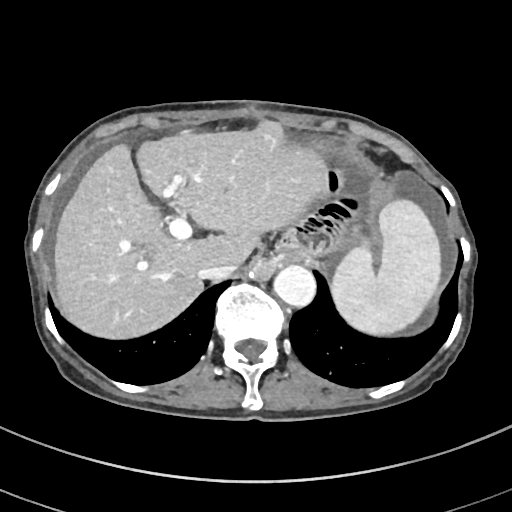

Abdominal CT. axial view. W/L 400/40 HU. 512x512 px
Organ boxes in pixel coordinates; each row gives the top-left (x1, y1) and bottom-right (x2, y2) corners.
| organ | x1 | y1 | x2 | y2 |
|---|---|---|---|---|
| spleen | 332 | 199 | 441 | 335 |
| liver | 54 | 120 | 327 | 338 |
| aorta | 273 | 265 | 315 | 307 |
| inferior vena cava | 199 | 262 | 236 | 280 |